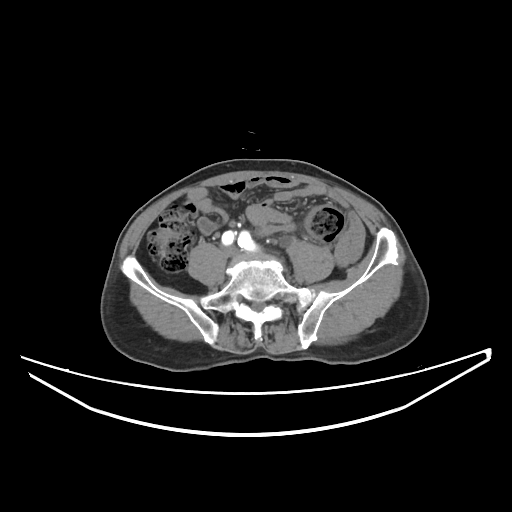

CT abdomen · Axial slice 36/120 · 62-year-old male patient
{"organs":{"inferior vena cava":[218,242,236,255]}}